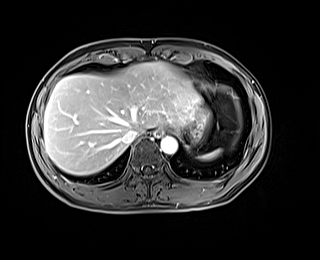
Abdominal MR — axial view — 320x260 px
<organs><organ name="spleen" x1="200" y1="149" x2="221" y2="160"/><organ name="esophagus" x1="154" y1="129" x2="163" y2="136"/><organ name="liver" x1="43" y1="61" x2="201" y2="175"/><organ name="stomach" x1="176" y1="101" x2="210" y2="144"/><organ name="aorta" x1="160" y1="136" x2="177" y2="154"/><organ name="inferior vena cava" x1="122" y1="129" x2="138" y2="144"/></organs>